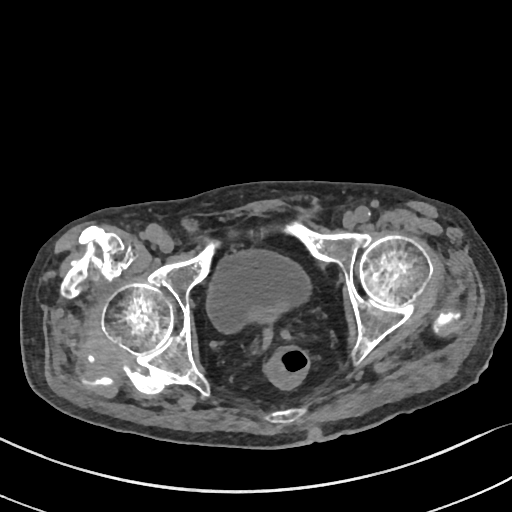
Abdominal CT; axial view; 15 organs annotated in this scan (that count is for the whole scan; organs this slice misses have no box)
Bounding boxes as [x1, y1, x2, y2] in pixel coordinates. The annotated organs in this slice are: bladder at [208, 251, 308, 329], prostate/uterus at [259, 308, 279, 322].